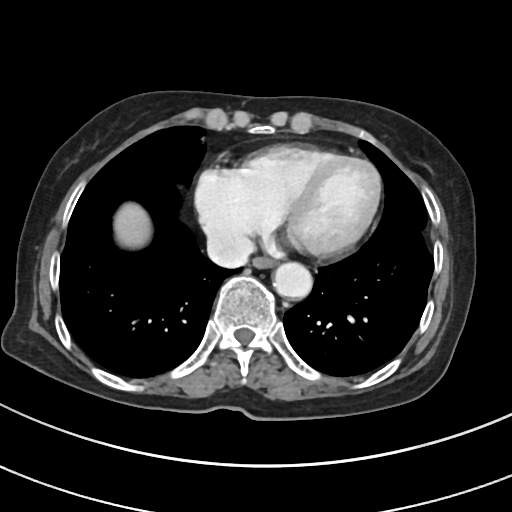
CT abdomen; axial view; soft-tissue window (W 400 / L 40); 512x512 px
One row per box, in pixels: columns x1 and y1 give the top-left corner, x2 and y2 the bottom-right.
| organ | x1 | y1 | x2 | y2 |
|---|---|---|---|---|
| aorta | 273 | 262 | 312 | 298 |
| liver | 114 | 203 | 150 | 247 |
| inferior vena cava | 207 | 230 | 253 | 267 |
| esophagus | 253 | 257 | 275 | 268 |